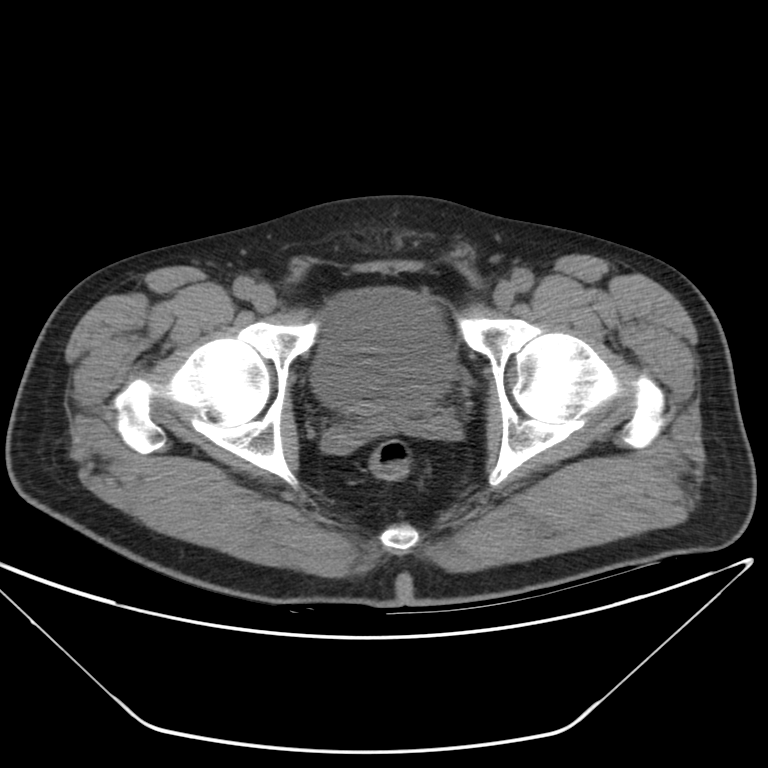

CT abdomen; axial view; Brilliance16 scanner
Boxes: x1:y1:x2:y2 in pixels.
bladder: 312:288:449:411